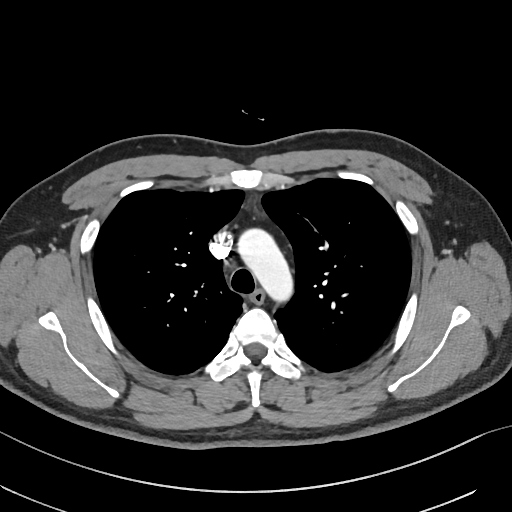

Chest-level CT slice, above the liver and spleen — axial view — 512x512 px — acquired on SOMATOM Force
At this level of the chest this dataset labels only the esophagus and the aorta, and each is boxed only where it is labeled; the heart and lungs are never labeled.
Boxes: x1 y1 x2 y2 (pixel coords, space-separated).
esophagus: 249 290 264 304
aorta: 236 226 295 300